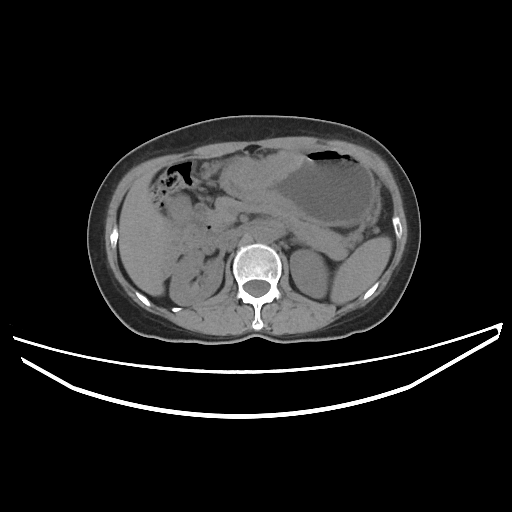 Computed tomography, abdomen; axial view; 512x512 px; 50-year-old female patient; Aquilion ONE scanner
Coordinates as <box>x1,y1,x2,y2</box> in pixels. 10 labeled organs on this slice — spleen at <box>330,236,391,304</box>; right kidney at <box>169,249,223,305</box>; left kidney at <box>290,250,328,298</box>; gall bladder at <box>169,194,190,227</box>; liver at <box>119,167,168,295</box>; stomach at <box>220,145,378,226</box>; aorta at <box>253,226,276,243</box>; inferior vena cava at <box>219,228,241,243</box>; pancreas at <box>208,196,361,259</box>; duodenum at <box>188,203,285,251</box>.